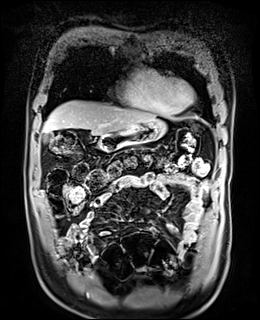 Abdominal MR; coronal plane, index 107; 260x320 px
{"organs":{"gall bladder":[44,132,52,142],"liver":[43,100,156,135],"stomach":[98,119,166,151],"duodenum":[98,144,107,149]}}